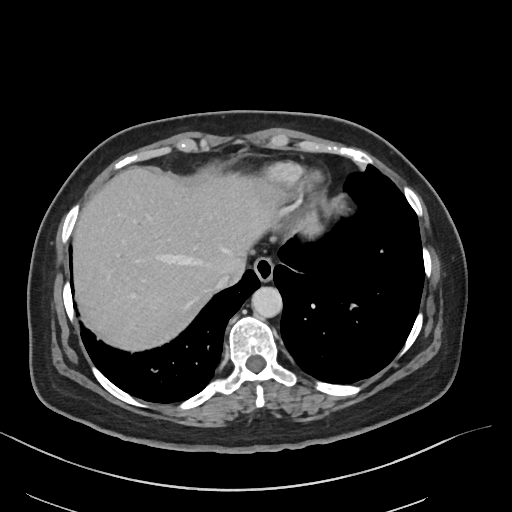 Computed tomography, abdomen. axial view. abdomen soft-tissue window. 512x512 px
<organs><organ name="esophagus" x1="253" y1="256" x2="274" y2="281"/><organ name="liver" x1="71" y1="166" x2="322" y2="351"/><organ name="aorta" x1="251" y1="286" x2="282" y2="317"/><organ name="inferior vena cava" x1="214" y1="273" x2="232" y2="291"/></organs>